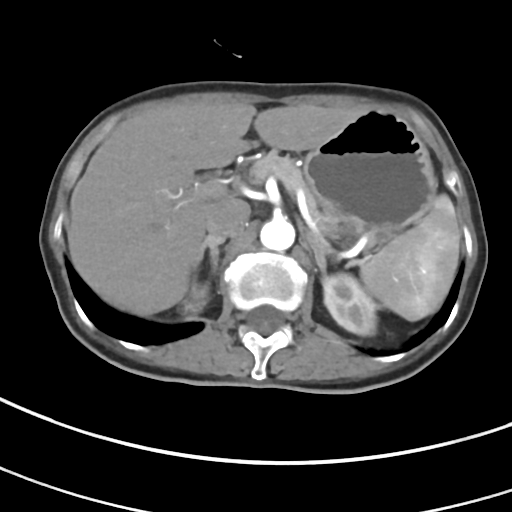

Computed tomography, abdomen; axial view; soft-tissue window; 512x512 px
<organs><organ name="aorta" x1="260" y1="218" x2="294" y2="251"/><organ name="right adrenal gland" x1="195" y1="237" x2="224" y2="275"/><organ name="spleen" x1="360" y1="194" x2="461" y2="320"/><organ name="left kidney" x1="323" y1="274" x2="376" y2="335"/><organ name="pancreas" x1="250" y1="150" x2="340" y2="239"/><organ name="left adrenal gland" x1="306" y1="234" x2="335" y2="278"/><organ name="inferior vena cava" x1="206" y1="198" x2="250" y2="238"/><organ name="right kidney" x1="183" y1="283" x2="208" y2="312"/><organ name="liver" x1="67" y1="102" x2="357" y2="315"/><organ name="stomach" x1="304" y1="109" x2="436" y2="239"/></organs>